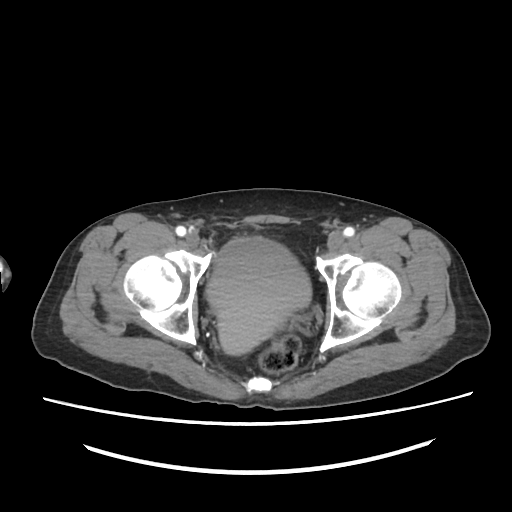

Abdominal CT; axial plane, index 21; 512x512 px; 61-year-old male patient
One row per box, in pixels: columns x1 and y1 give the top-left corner, x2 and y2 the bottom-right.
| organ | x1 | y1 | x2 | y2 |
|---|---|---|---|---|
| bladder | 207 | 237 | 312 | 356 |